CT, abdomen/pelvis — Axial slice 207/307 — scan has 15 labeled organs (a whole-scan count: organs this slice does not pass through have no box)
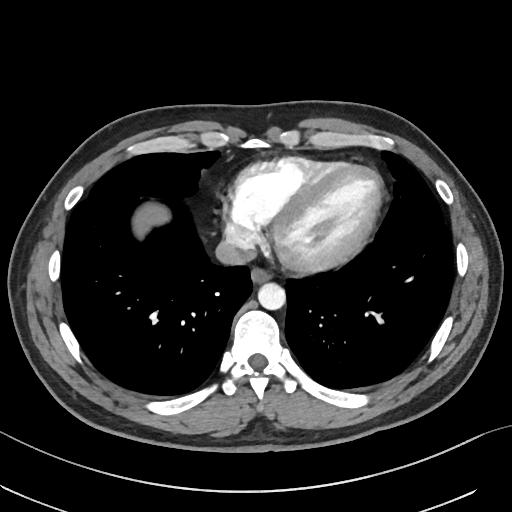
<organs><organ name="esophagus" x1="251" y1="268" x2="269" y2="282"/><organ name="liver" x1="135" y1="205" x2="168" y2="233"/><organ name="aorta" x1="257" y1="282" x2="285" y2="309"/><organ name="inferior vena cava" x1="215" y1="236" x2="256" y2="265"/></organs>